CT abdomen; axial view; W/L 400/40 HU; 61-year-old female patient; Aquilion ONE scanner
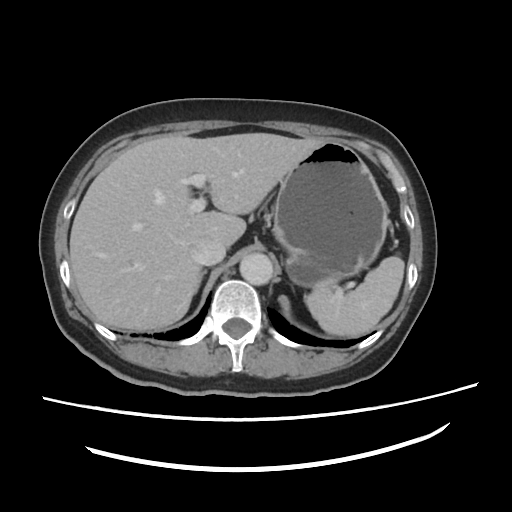 {"organs":{"spleen":[308,255,405,337],"liver":[69,133,327,329],"stomach":[272,140,388,287],"aorta":[239,254,273,285],"inferior vena cava":[189,240,225,264],"right adrenal gland":[194,271,206,293]}}